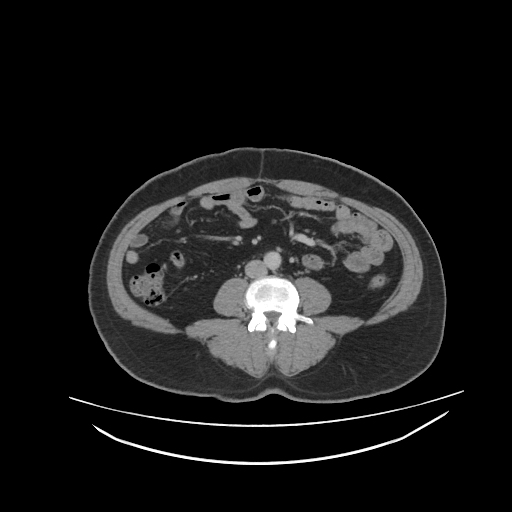
CT, abdomen/pelvis — axial view — abdomen soft-tissue window — 512x512 px — Aquilion ONE scanner — scan has 15 labeled organs (counted over the whole 3D scan, not this slice; an organ is boxed only where this slice passes through it)
Boxes are (x1, y1, x2, y2) in pixels.
Organ bounding boxes:
- aorta: (263, 250, 279, 268)
- inferior vena cava: (244, 259, 266, 278)